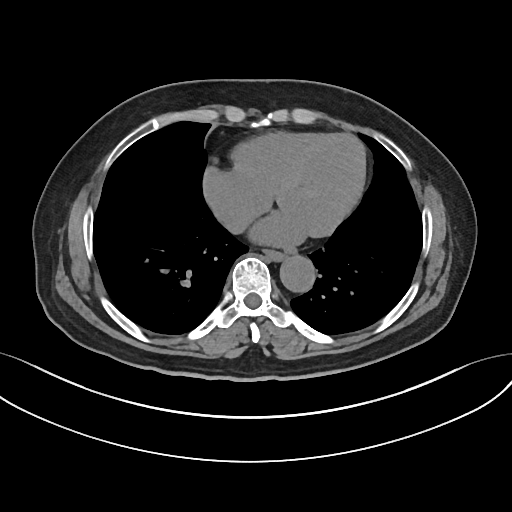

Abdominal CT; this slice is in the lower chest, just above the liver. axial plane, index 201
No part of the heart or lungs is labeled in this dataset, so neither has a box here.
<organs><organ name="esophagus" x1="262" y1="248" x2="284" y2="260"/><organ name="aorta" x1="279" y1="254" x2="315" y2="291"/><organ name="inferior vena cava" x1="224" y1="210" x2="252" y2="234"/></organs>